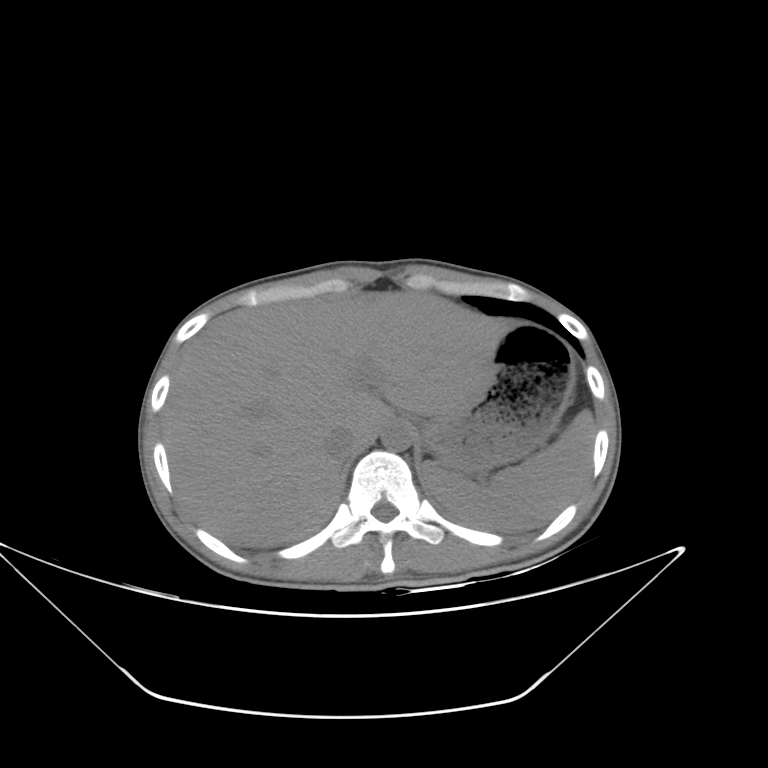 CT abdomen. axial view. 24-year-old male patient
Boxes: x1 y1 x2 y2 (pixel coords, space-separated).
spleen: 423 409 595 531
liver: 162 291 511 547
stomach: 422 323 573 473
aorta: 382 424 411 451
inferior vena cava: 324 427 358 457